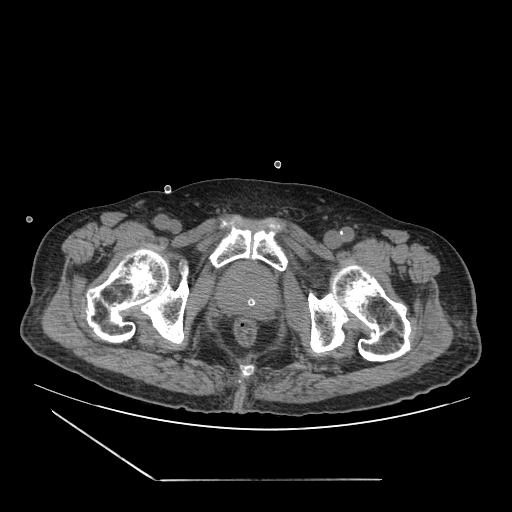
Computed tomography, abdomen — axial view — scan has 15 labeled organs (counted over the whole 3D scan, not this slice; an organ is boxed only where this slice passes through it)
Each box given as x1,y1,x2,y2.
prostate/uterus: x1=216, y1=264, x2=276, y2=316